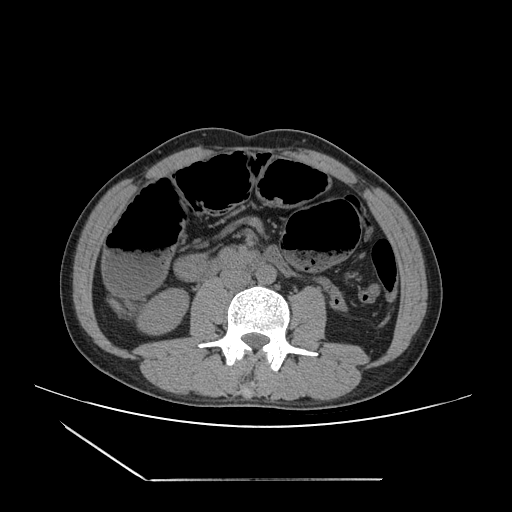 CT, abdomen/pelvis; axial plane, index 99; W/L 400/40 HU; 512x512 px
Boxes: x1 y1 x2 y2 (pixel coords, space-separated). 4 labeled organs on this slice — duodenum at 208 260 256 274; inferior vena cava at 220 269 250 288; right kidney at 137 288 188 334; aorta at 256 264 275 284.